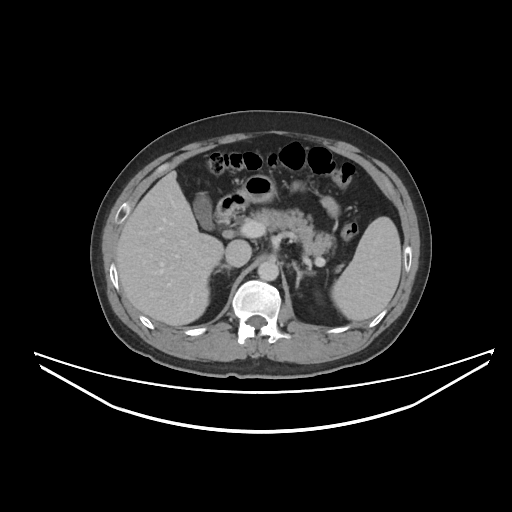
Computed tomography, abdomen. axial plane, index 68. scan has 15 labeled organs (counted over the whole 3D scan, not this slice; an organ is boxed only where this slice passes through it)
One row per box, in pixels: columns x1 and y1 give the top-left corner, x2 and y2 the bottom-right.
| organ | x1 | y1 | x2 | y2 |
|---|---|---|---|---|
| spleen | 331 | 216 | 401 | 321 |
| gall bladder | 193 | 194 | 212 | 229 |
| liver | 116 | 171 | 224 | 325 |
| stomach | 235 | 175 | 276 | 204 |
| aorta | 257 | 260 | 278 | 281 |
| inferior vena cava | 225 | 240 | 251 | 266 |
| pancreas | 244 | 208 | 342 | 271 |
| right adrenal gland | 215 | 264 | 231 | 273 |
| left adrenal gland | 291 | 261 | 313 | 287 |
| duodenum | 216 | 193 | 245 | 236 |